CT abdomen; axial plane, index 49; 512x512 px; Aquilion ONE scanner
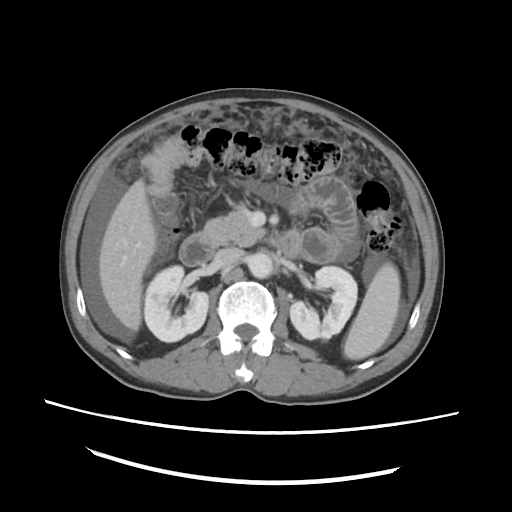 One row per box, in pixels: columns x1 and y1 give the top-left corner, x2 and y2 the bottom-right.
| organ | x1 | y1 | x2 | y2 |
|---|---|---|---|---|
| aorta | 248 | 252 | 273 | 278 |
| liver | 99 | 179 | 156 | 331 |
| duodenum | 179 | 231 | 300 | 266 |
| left kidney | 290 | 266 | 357 | 339 |
| pancreas | 200 | 206 | 262 | 246 |
| right kidney | 144 | 265 | 208 | 342 |
| inferior vena cava | 214 | 248 | 242 | 267 |
| spleen | 343 | 263 | 400 | 359 |